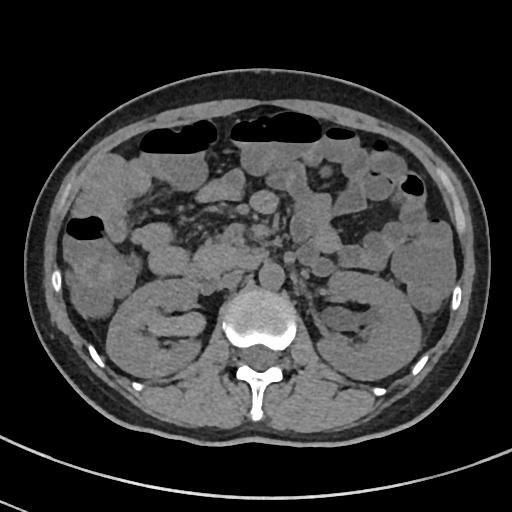
Computed tomography, abdomen. axial view. soft-tissue window (W 400 / L 40)
<organs><organ name="right kidney" x1="106" y1="280" x2="203" y2="377"/><organ name="left kidney" x1="319" y1="272" x2="420" y2="380"/><organ name="aorta" x1="259" y1="264" x2="284" y2="290"/><organ name="inferior vena cava" x1="217" y1="270" x2="243" y2="289"/><organ name="pancreas" x1="192" y1="243" x2="248" y2="277"/><organ name="duodenum" x1="184" y1="249" x2="264" y2="293"/></organs>